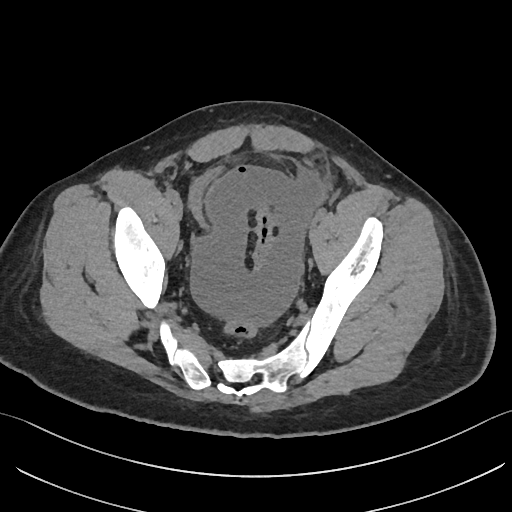
Computed tomography, abdomen · Axial slice 46/234 · 512x512 px
<organs><organ name="bladder" x1="187" y1="164" x2="225" y2="228"/></organs>